Magnetic resonance imaging, abdomen. coronal view. 260x320 px. Prisma scanner
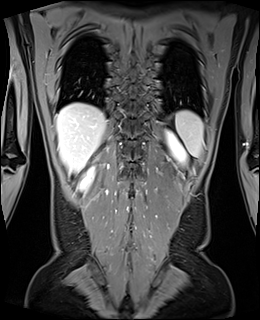
Boxes are (x1, y1, x2, y2) in pixels.
Organ bounding boxes:
- right kidney: (80, 168, 93, 188)
- left kidney: (166, 132, 186, 164)
- liver: (57, 102, 106, 173)
- spleen: (175, 111, 203, 156)